Computed tomography, abdomen · axial view · soft-tissue window (W 400 / L 40) · 768x768 px
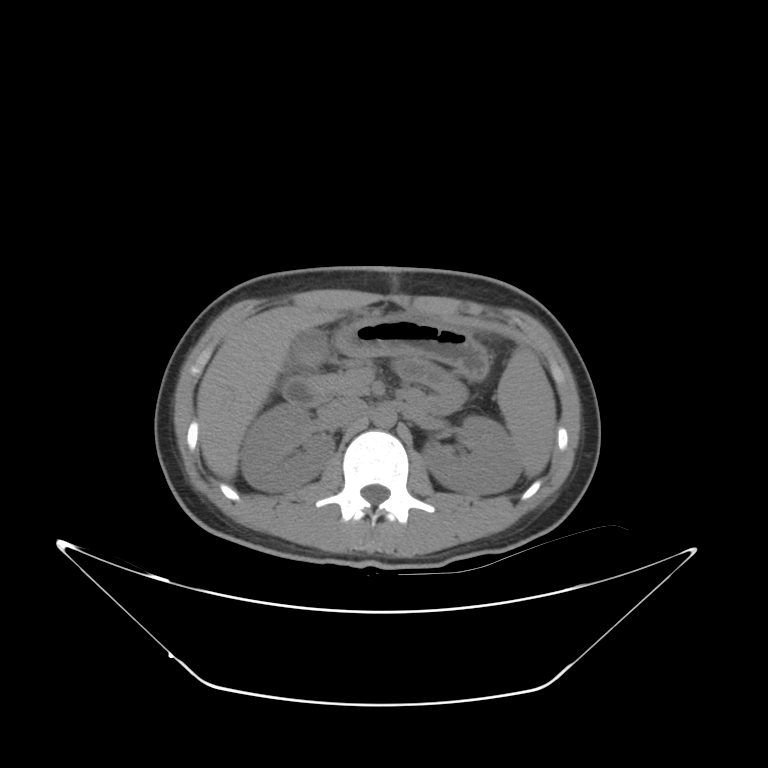 Organ boxes in pixel coordinates; each row gives the top-left (x1, y1) and bottom-right (x2, y2) corners.
| organ | x1 | y1 | x2 | y2 |
|---|---|---|---|---|
| duodenum | 282 | 375 | 326 | 404 |
| liver | 197 | 308 | 340 | 480 |
| spleen | 496 | 348 | 554 | 476 |
| left kidney | 423 | 417 | 519 | 494 |
| right kidney | 240 | 405 | 333 | 491 |
| aorta | 369 | 403 | 398 | 430 |
| stomach | 334 | 320 | 490 | 378 |
| inferior vena cava | 322 | 399 | 365 | 424 |
| gall bladder | 293 | 331 | 331 | 367 |
| pancreas | 308 | 375 | 361 | 392 |